CT, abdomen/pelvis · Axial slice 148/306 · soft-tissue window (W 400 / L 40) · 512x512 px
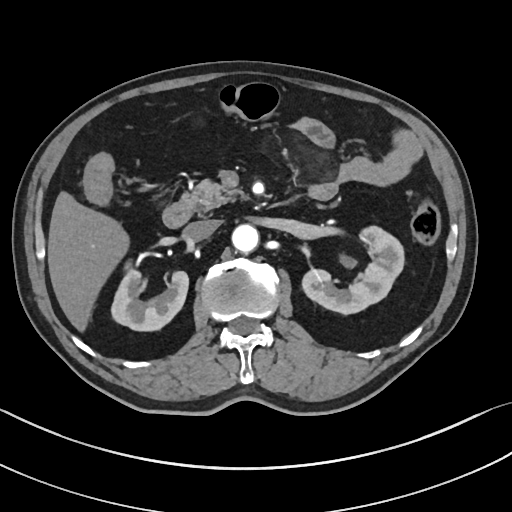
Each box given as x1,y1,x2,y2. Labeled organs on this slice: left kidney at x1=303, y1=226, x2=405, y2=313, aorta at x1=231, y1=223, x2=258, y2=251, duodenum at x1=162, y1=201, x2=191, y2=227, right kidney at x1=109, y1=268, x2=188, y2=330, pancreas at x1=181, y1=179, x2=248, y2=213, liver at x1=48, y1=192, x2=127, y2=329, inferior vena cava at x1=183, y1=219, x2=219, y2=241.